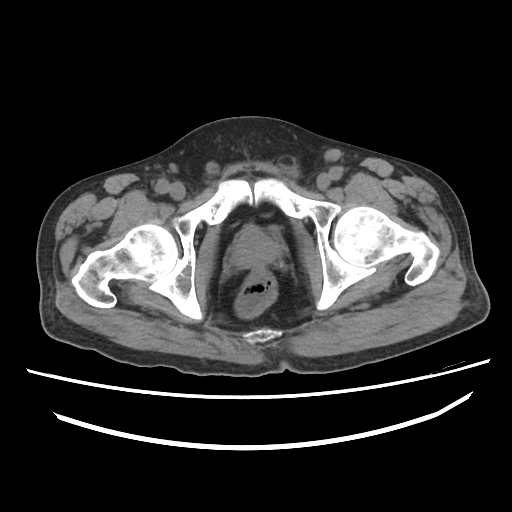

CT, abdomen/pelvis. axial view
Boxes are (x1, y1, x2, y2) in pixels.
prostate/uterus: (232, 228, 280, 268)